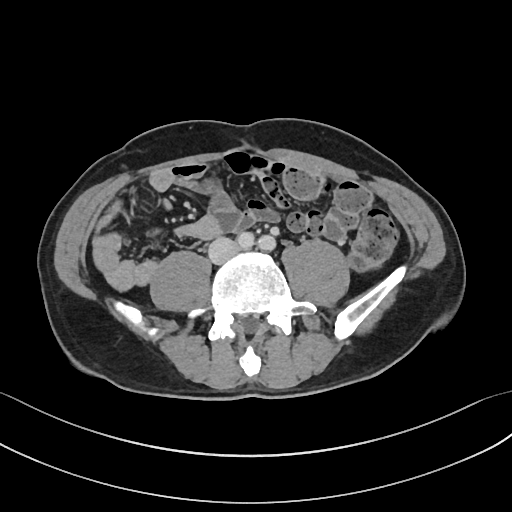

Abdominal CT · axial view
<organs><organ name="inferior vena cava" x1="207" y1="237" x2="238" y2="264"/></organs>